Abdominal CT. axial view. Aquilion ONE scanner
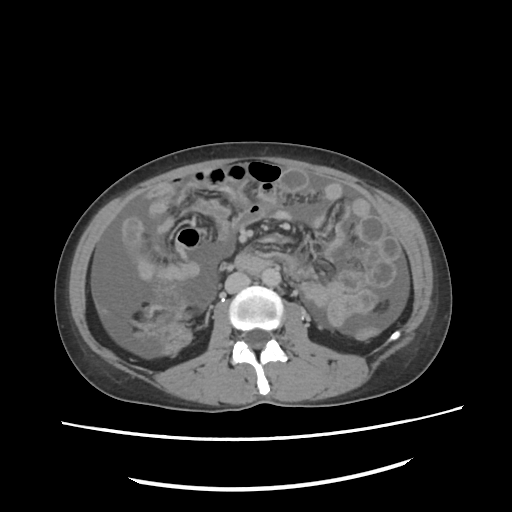

<organs><organ name="aorta" x1="260" y1="267" x2="281" y2="287"/><organ name="inferior vena cava" x1="224" y1="273" x2="248" y2="293"/></organs>